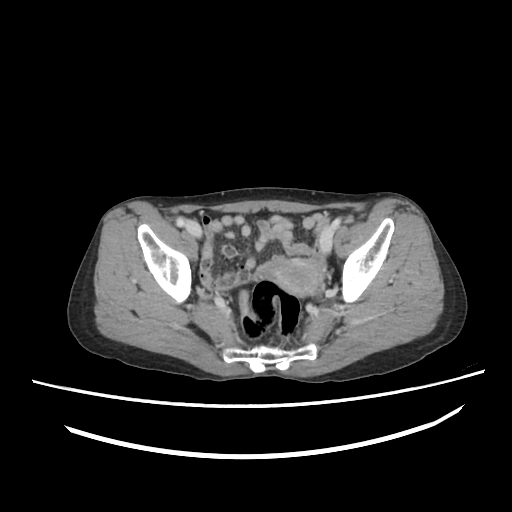 Computed tomography, abdomen. axial plane, index 19. 512x512 px
Box edges are left/top/right/bottom in pixels. 1 labeled organ on this slice — prostate/uterus at left=272, top=258, right=319, bottom=295.